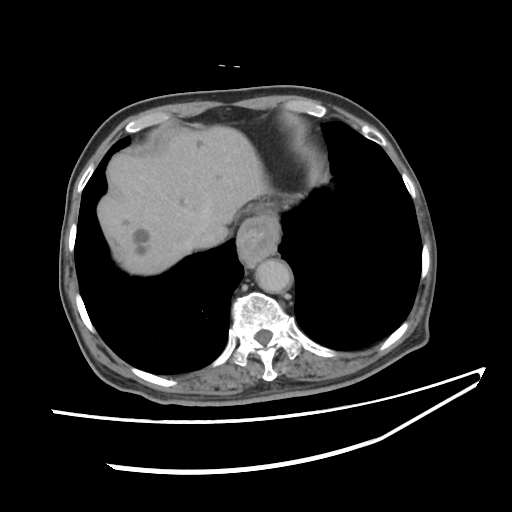
CT abdomen · axial view · abdomen soft-tissue window · 83-year-old male patient · scan has 15 labeled organs (counted over the whole 3D scan, not this slice; an organ is boxed only where this slice passes through it)
Bounding boxes as [x1, y1, x2, y2] in pixel coordinates.
liver: [97, 125, 269, 276]
esophagus: [242, 263, 256, 266]
stomach: [237, 213, 279, 266]
inferior vena cava: [195, 225, 227, 247]
aorta: [255, 257, 292, 293]